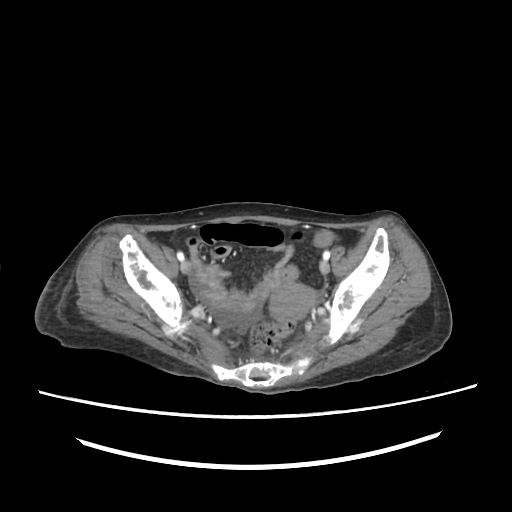 Computed tomography, abdomen. Axial slice 20/111. abdomen soft-tissue window
{"organs":{"prostate/uterus":[271,283,315,318]}}